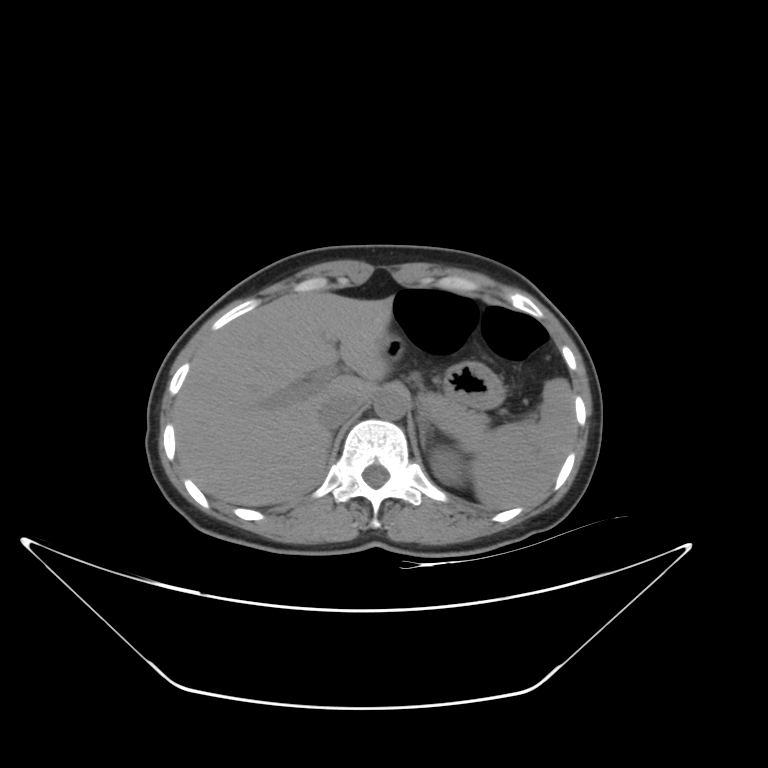
CT abdomen; Axial slice 79/99; Brilliance16 scanner; scan has 15 labeled organs (counted over the whole 3D scan, not this slice; an organ is boxed only where this slice passes through it)
{"organs":{"spleen":[470,378,576,509],"left kidney":[429,449,463,485],"liver":[174,292,392,506],"stomach":[383,335,504,408],"aorta":[374,388,408,420],"inferior vena cava":[319,395,359,430],"pancreas":[418,392,489,449],"left adrenal gland":[419,422,426,451]}}